Computed tomography, abdomen. Axial slice 230/265. 512x512 px. scan has 15 labeled organs (counted over the whole 3D scan, not this slice; an organ is boxed only where this slice passes through it)
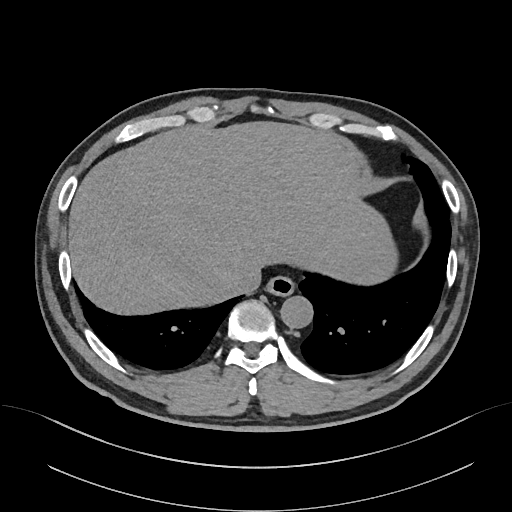 <organs><organ name="liver" x1="68" y1="120" x2="397" y2="314"/><organ name="aorta" x1="281" y1="295" x2="313" y2="327"/><organ name="esophagus" x1="266" y1="275" x2="294" y2="295"/><organ name="inferior vena cava" x1="229" y1="268" x2="260" y2="294"/></organs>